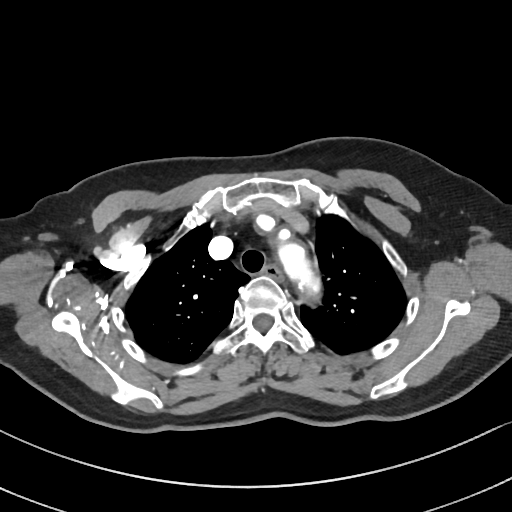
Abdominal CT reaching into the chest; this slice is in the chest — axial view — soft-tissue window — 15 organs annotated in this scan (counted over the whole 3D scan, not this slice; an organ is boxed only where this slice passes through it)
At this level of the chest this dataset labels only the esophagus and the aorta, and each is boxed only where it is labeled; the heart and lungs are never labeled.
{"organs":{"esophagus":[261,265,283,280],"aorta":[278,241,321,301]}}